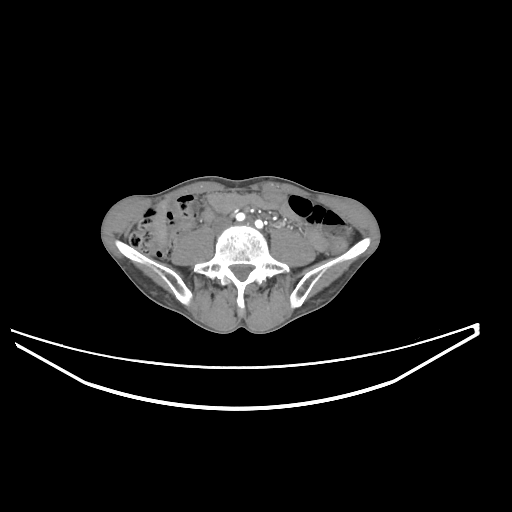

CT, abdomen/pelvis — Axial slice 45/131
Boxes are (x1, y1, x2, y2) in pixels. The annotated organs in this slice are: liver at (152, 207, 167, 246), inferior vena cava at (215, 219, 230, 228).